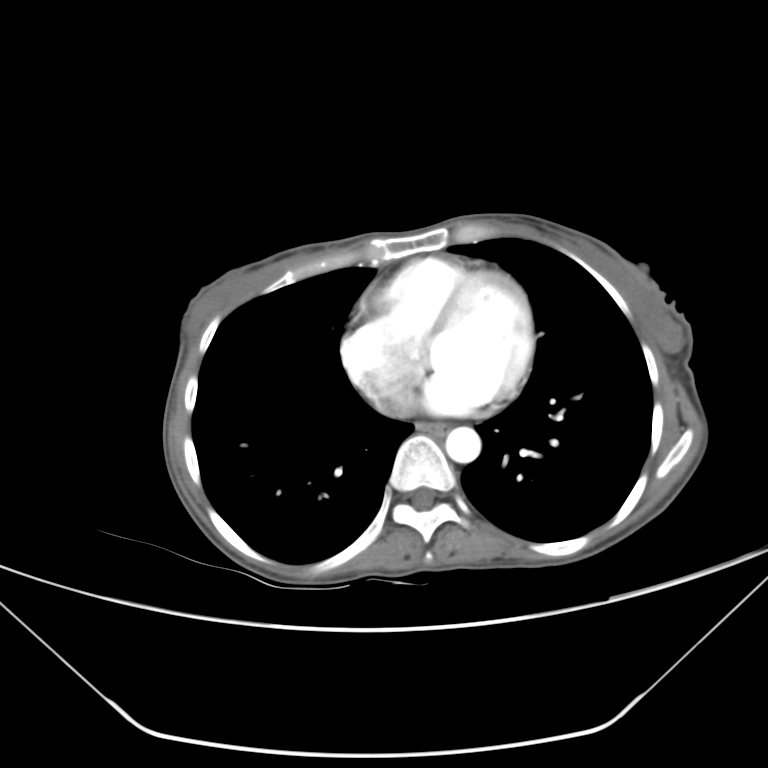 Lower-chest slice from an abdominal CT, just above the liver and spleen — axial view — W/L 400/40 HU — 15 organs annotated in this scan (a whole-scan count: organs this slice does not pass through have no box)
No part of the heart or lungs is labeled in this dataset, so neither has a box here.
{"organs":{"esophagus":[416,422,445,436],"aorta":[445,426,481,463],"inferior vena cava":[375,391,413,414]}}